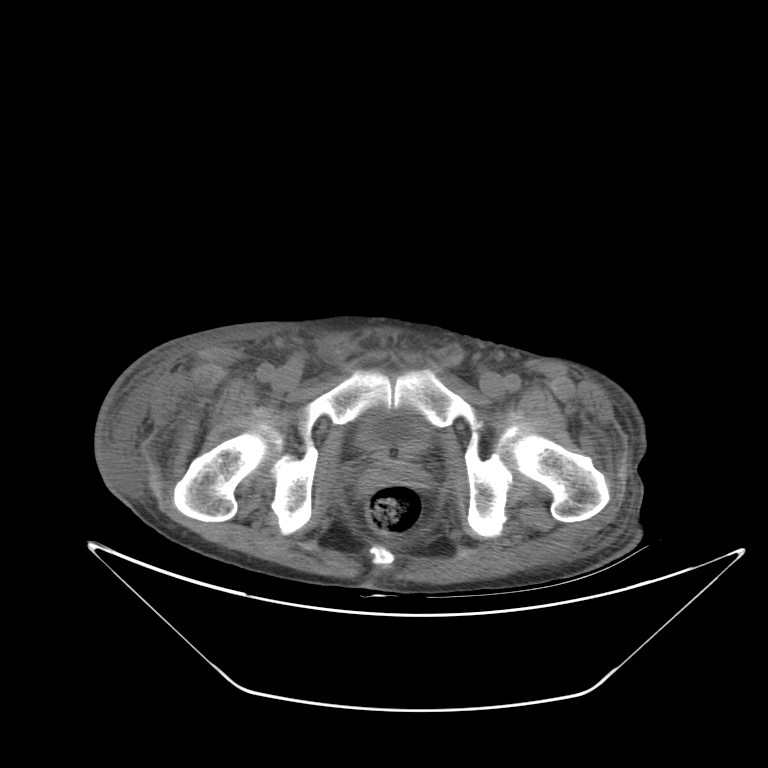 CT abdomen — axial plane, index 14 — 768x768 px — 15 organs annotated in this scan (counted over the whole 3D scan, not this slice; an organ is boxed only where this slice passes through it)
Boxes: x1 y1 x2 y2 (pixel coords, space-separated).
Organ bounding boxes:
- bladder: 357 410 427 451
- prostate/uterus: 375 448 409 472